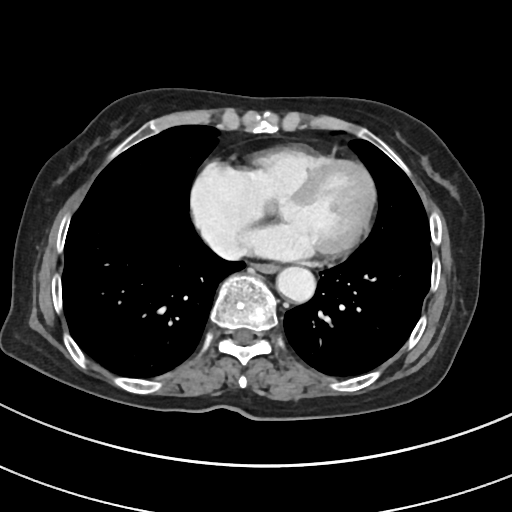

CT of the abdomen reaching into the lower chest, slice just above the liver and spleen. axial view. soft-tissue window (W 400 / L 40). SOMATOM Force scanner
The heart and lungs are never labeled in this dataset, so they have no box on this slice.
One row per box, in pixels: columns x1 and y1 give the top-left corner, x2 and y2 the bottom-right.
| organ | x1 | y1 | x2 | y2 |
|---|---|---|---|---|
| esophagus | 255 | 264 | 278 | 273 |
| aorta | 276 | 266 | 315 | 302 |